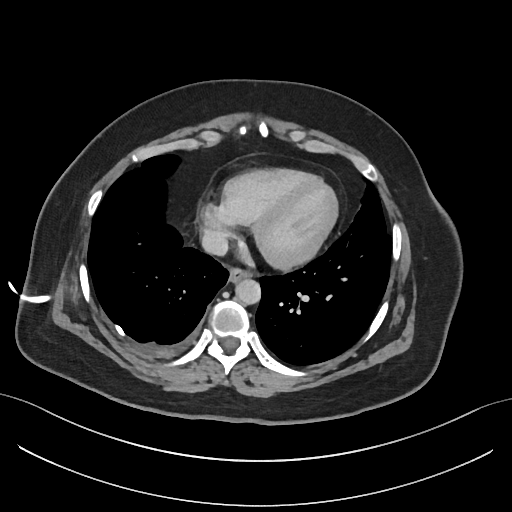 CT of the abdomen reaching into the lower chest, slice just above the liver and spleen · axial view · W/L 400/40 HU · 512x512 px · SOMATOM Force scanner
No part of the heart or lungs is labeled in this dataset, so neither has a box here.
Each box given as x1,y1,x2,y2.
esophagus: x1=228, y1=270, x2=249, y2=284
aorta: x1=236, y1=280, x2=261, y2=304
inferior vena cava: x1=201, y1=230, x2=227, y2=255